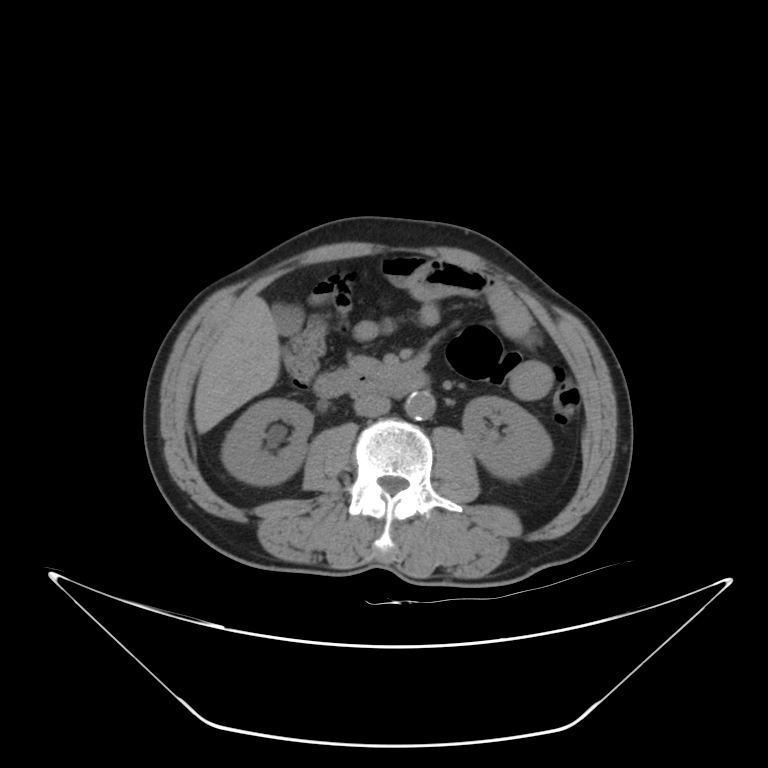

CT, abdomen/pelvis; axial view; 59-year-old male patient
{"organs":{"right kidney":[222,398,312,484],"left kidney":[462,397,551,478],"gall bladder":[272,303,303,334],"liver":[194,294,280,433],"aorta":[405,392,434,419],"inferior vena cava":[353,394,389,415],"pancreas":[347,356,383,373],"duodenum":[313,363,429,397]}}